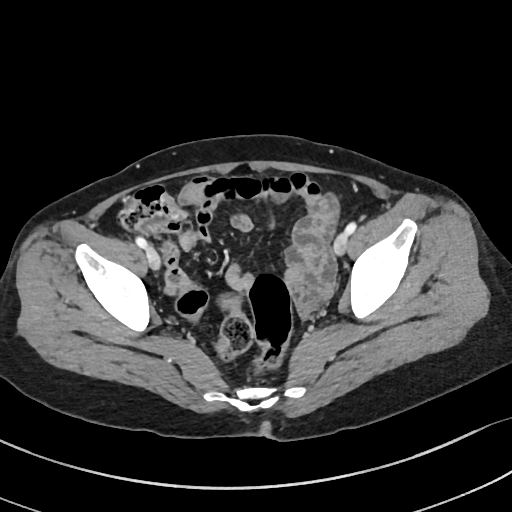
Computed tomography, abdomen; axial view; 512x512 px
Bounding boxes as [x1, y1, x2, y2] in pixel coordinates. 1 labeled organ on this slice — prostate/uterus at [222, 295, 239, 311].